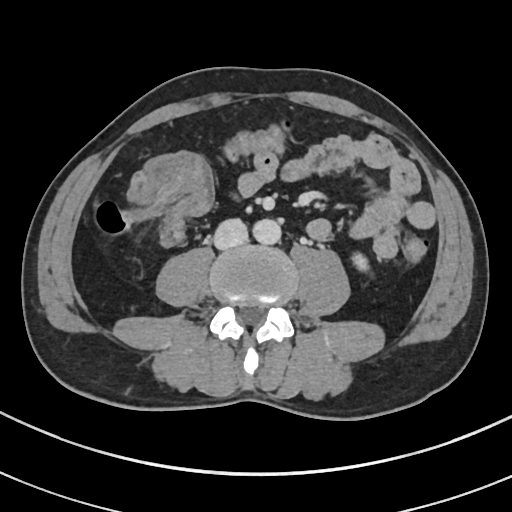 CT, abdomen/pelvis; axial view; abdomen soft-tissue window; SOMATOM Force scanner
One row per box, in pixels: columns x1 and y1 give the top-left corner, x2 and y2 the bottom-right.
| organ | x1 | y1 | x2 | y2 |
|---|---|---|---|---|
| left kidney | 354 | 253 | 366 | 273 |
| aorta | 254 | 219 | 282 | 244 |
| inferior vena cava | 214 | 218 | 248 | 249 |